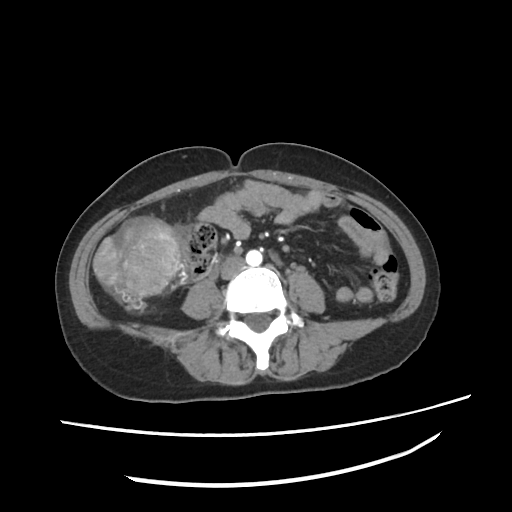 CT abdomen — axial plane, index 37
Boxes are (x1, y1, x2, y2) in pixels.
aorta: (245, 249, 262, 266)
inferior vena cava: (222, 256, 244, 280)